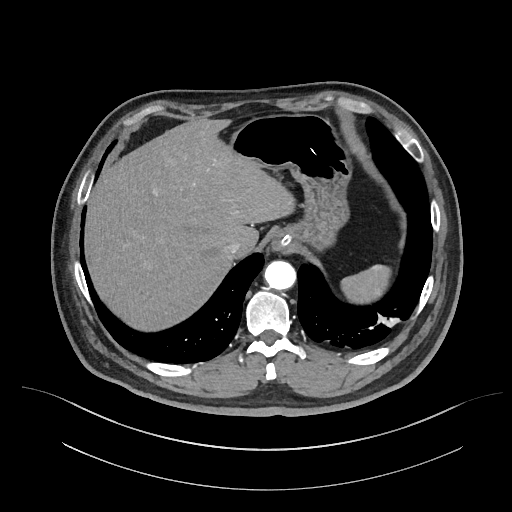 CT abdomen — Axial slice 212/333 — W/L 400/40 HU
{"organs":{"spleen":[340,264,391,303],"esophagus":[272,242,287,250],"liver":[85,118,294,331],"stomach":[229,114,352,251],"aorta":[264,261,295,289],"inferior vena cava":[222,238,241,257]}}